Abdominal CT. axial view. abdomen soft-tissue window
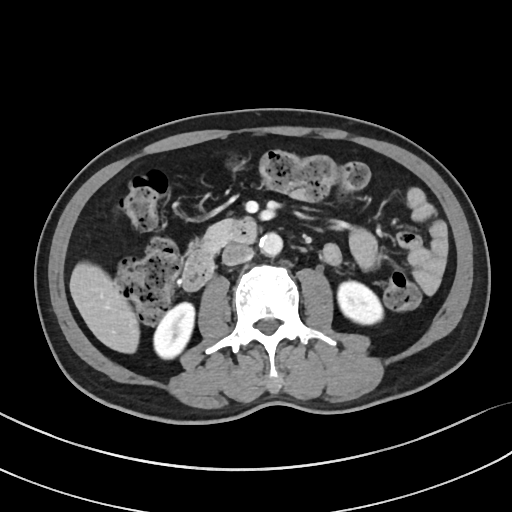

Each box given as x1,y1,x2,y2.
right kidney: x1=153, y1=303, x2=194, y2=358
left kidney: x1=337, y1=281, x2=382, y2=324
liver: x1=69, y1=262, x2=139, y2=353
aorta: x1=259, y1=232, x2=282, y2=256
inferior vena cava: x1=222, y1=243, x2=253, y2=265
pancreas: x1=203, y1=220, x2=228, y2=252
duodenum: x1=182, y1=218, x2=256, y2=291